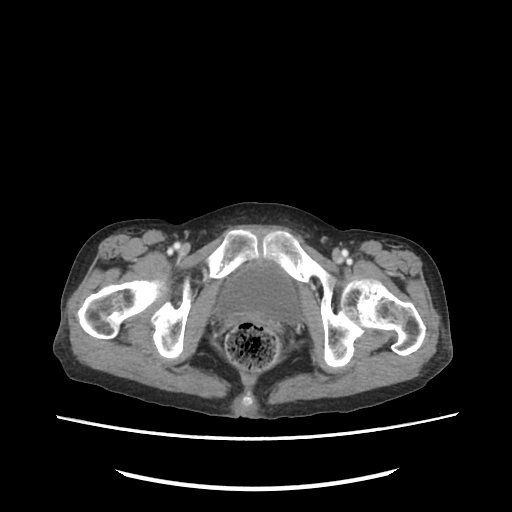 Computed tomography, abdomen; Axial slice 16/124; abdomen soft-tissue window; 73-year-old female patient; 15 organs annotated in this scan (that count is for the whole scan; organs this slice misses have no box)
Box edges are left/top/right/bottom in pixels.
Organ bounding boxes:
- bladder: left=218, top=266, right=303, bottom=321